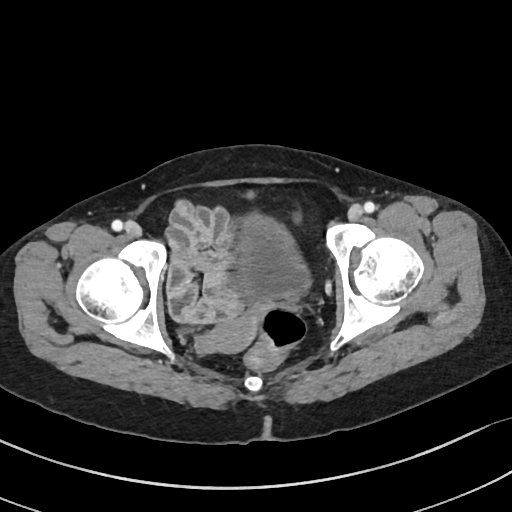 Computed tomography, abdomen · axial view
{"organs":{"bladder":[238,215,309,297],"prostate/uterus":[203,314,259,353]}}